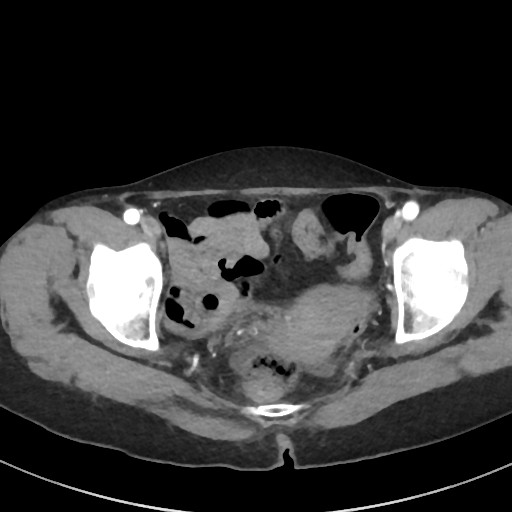
Computed tomography, abdomen. axial plane, index 9
Boxes are (x1, y1, x2, y2) in pixels.
prostate/uterus: (268, 287, 353, 363)